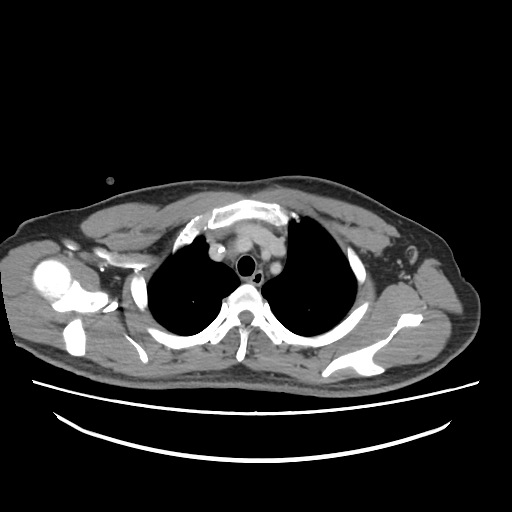 Chest-level slice from an abdominal CT that extends up into the chest · axial view · 512x512 px · 31-year-old male patient
At this level of the chest this dataset labels only the esophagus and the aorta, and each is boxed only where it is labeled; the heart and lungs are never labeled.
<organs><organ name="esophagus" x1="247" y1="271" x2="263" y2="285"/></organs>